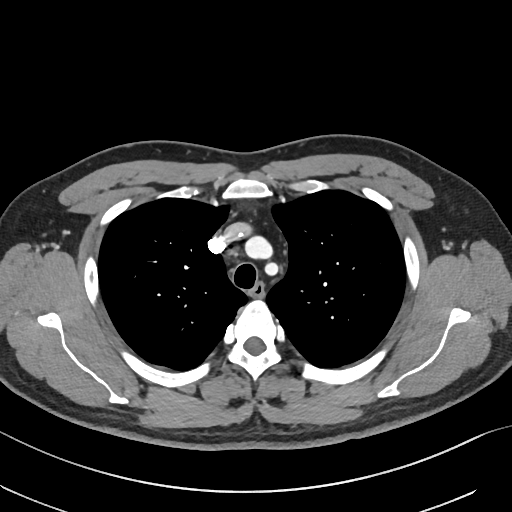 Chest-level slice from an abdominal CT that extends up into the chest. axial view. W/L 400/40 HU. scan has 15 labeled organs (that count is for the whole scan; organs this slice misses have no box)
At this level of the chest this dataset labels only the esophagus and the aorta, and each is boxed only where it is labeled; the heart and lungs are never labeled.
Bounding boxes as [x1, y1, x2, y2] in pixel coordinates.
esophagus: [249, 283, 265, 297]